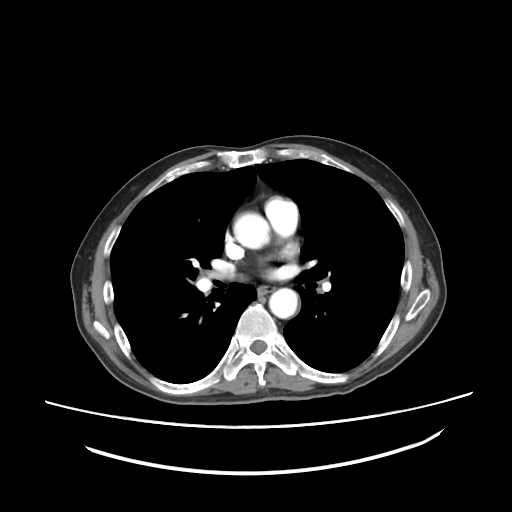 Chest-level slice from an abdominal CT that extends up into the chest. axial view
At this level of the chest no structure but the esophagus and the aorta has a label in this dataset, and those two are boxed only where they are labeled.
{"organs":{"esophagus":[258,285,273,293],"aorta":[[234,213,269,248],[269,288,297,318]]}}